CT, abdomen/pelvis; axial view; 14 organs annotated in this scan (a whole-scan count: organs this slice does not pass through have no box)
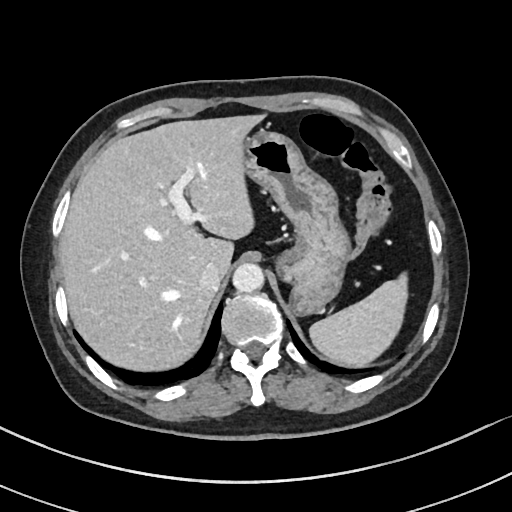

Bounding boxes as [x1, y1, x2, y2] in pixel coordinates. The annotated organs in this slice are: spleen at [308, 274, 406, 365], liver at [60, 114, 265, 368], stomach at [244, 130, 351, 314], aorta at [233, 263, 264, 292], inferior vena cava at [199, 262, 223, 292].